Abdominal CT reaching into the chest; this slice is in the chest · axial plane, index 259
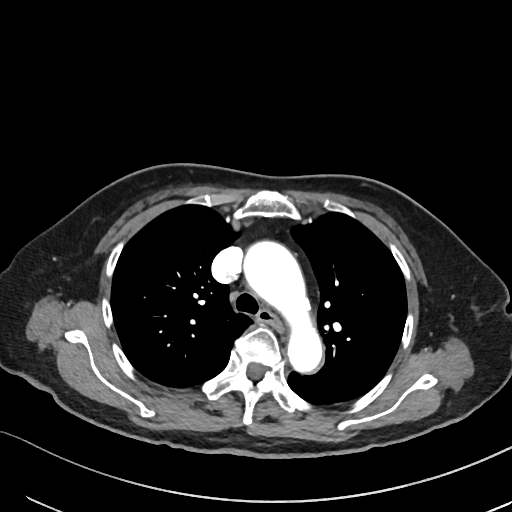 At this level of the chest this dataset labels only the esophagus and the aorta, and each is boxed only where it is labeled; the heart and lungs are never labeled. Each box given as x1,y1,x2,y2. Labeled organs on this slice: aorta at x1=242, y1=239, x2=322, y2=374, esophagus at x1=258, y1=311, x2=286, y2=335.